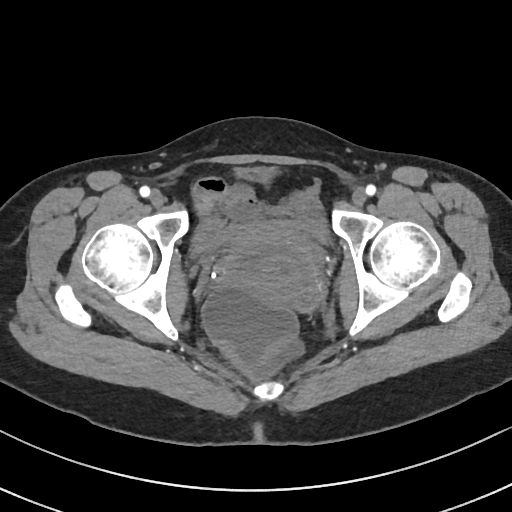
CT, abdomen/pelvis; axial view; W/L 400/40 HU; scan has 15 labeled organs (a whole-scan count: organs this slice does not pass through have no box)
Boxes: x1:y1:x2:y2 in pixels. Labeled organs on this slice: bladder at 195:220:328:250, prostate/uterus at 214:231:322:309.